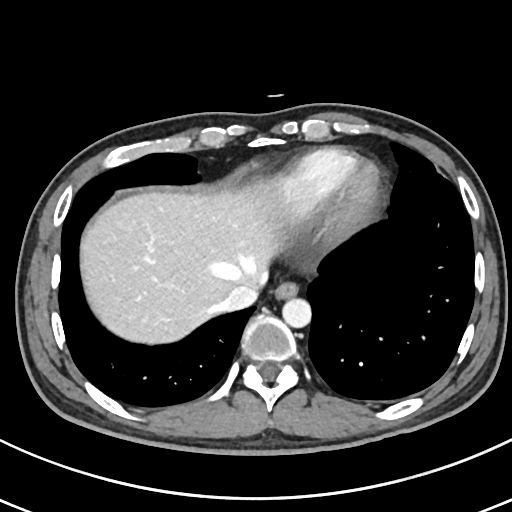
CT, abdomen/pelvis. axial plane, index 197. 512x512 px
Bounding boxes as [x1, y1, x2, y2] in pixel coordinates.
Organ bounding boxes:
- esophagus: [275, 281, 299, 298]
- liver: [81, 177, 294, 345]
- aorta: [281, 297, 311, 327]
- inferior vena cava: [221, 284, 257, 311]